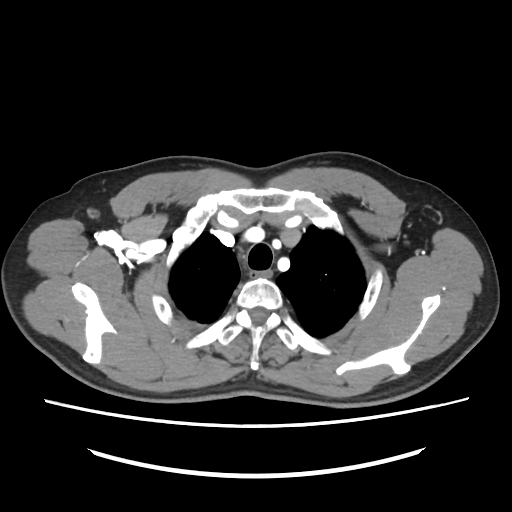
Chest-level CT slice, above the liver and spleen. axial view. 512x512 px
On a slice this high in the chest, this dataset labels only the esophagus and the aorta, and each is boxed only where it is labeled; the heart, lungs and other chest structures are not labeled.
Each box given as x1,y1,x2,y2.
esophagus: x1=250, y1=271, x2=270, y2=278